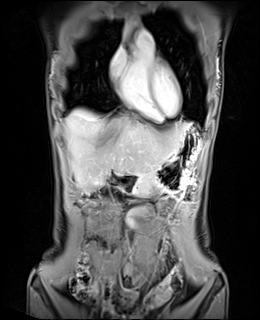
Magnetic resonance imaging, abdomen · coronal plane, index 98 · percentile-normalized · 260x320 px
Boxes: x1:y1:x2:y2 in pixels.
duodenum: 107:170:140:186
pancreas: 131:172:144:172
liver: 65:109:190:189
stomach: 134:129:202:189
aorta: 123:28:127:33